CT, abdomen/pelvis. Axial slice 217/353. soft-tissue window. SOMATOM Force scanner
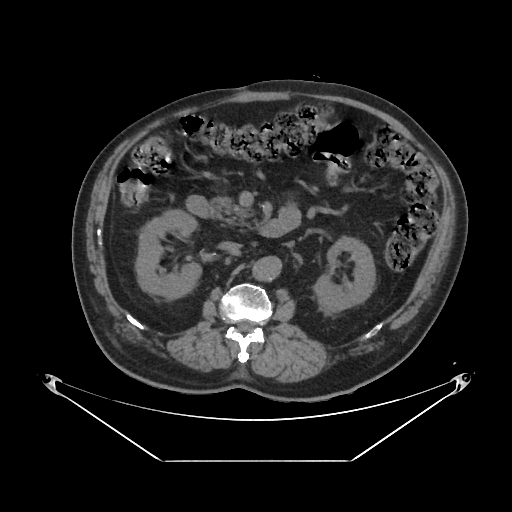
Organ boxes in pixel coordinates; each row gives the top-left (x1, y1) and bottom-right (x2, y2) corners.
| organ | x1 | y1 | x2 | y2 |
|---|---|---|---|---|
| duodenum | 186 | 196 | 292 | 237 |
| right kidney | 135 | 208 | 200 | 297 |
| pancreas | 211 | 195 | 246 | 225 |
| left kidney | 314 | 235 | 374 | 313 |
| aorta | 254 | 255 | 282 | 279 |
| inferior vena cava | 219 | 240 | 241 | 250 |